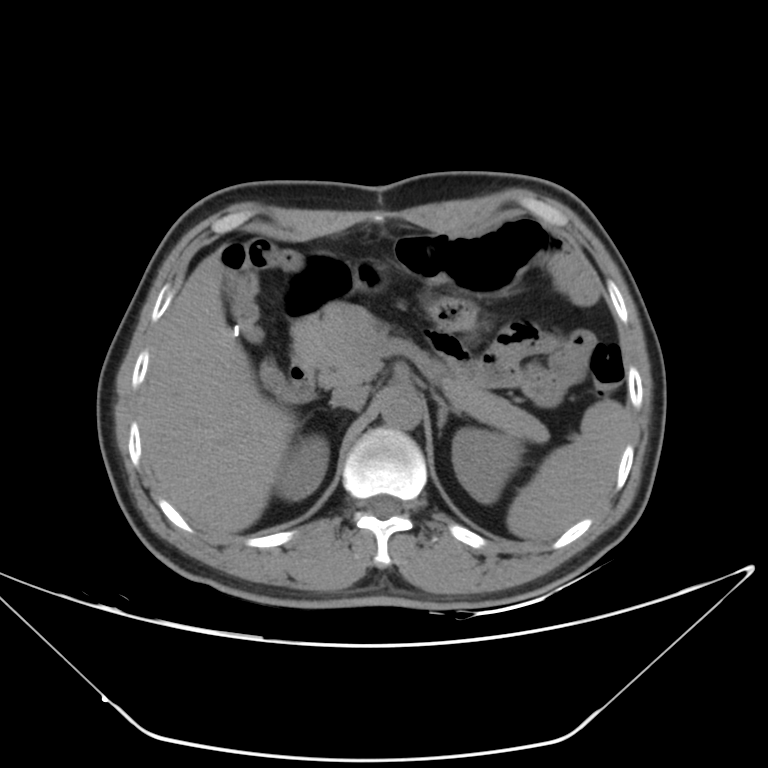
Abdominal CT — axial plane, index 72
{"organs":{"spleen":[506,399,628,540],"right kidney":[276,434,328,500],"left kidney":[452,428,523,503],"liver":[139,252,296,535],"stomach":[286,234,522,328],"aorta":[380,390,422,429],"inferior vena cava":[331,386,368,410],"pancreas":[295,303,549,442],"left adrenal gland":[433,394,460,430],"duodenum":[278,319,316,402]}}